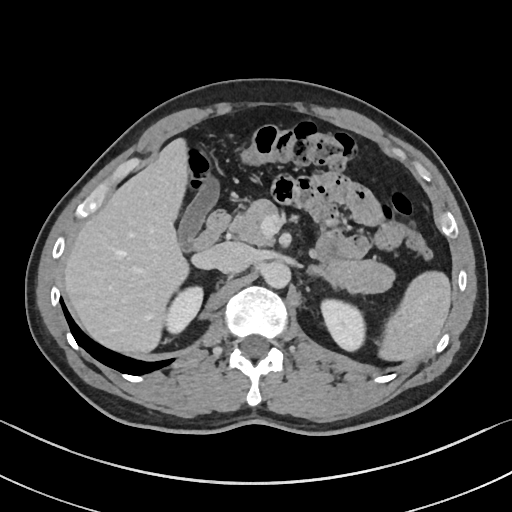 CT abdomen. Axial slice 139/291. soft-tissue window (W 400 / L 40). 512x512 px
One row per box, in pixels: columns x1 and y1 give the top-left corner, x2 and y2 the bottom-right.
| organ | x1 | y1 | x2 | y2 |
|---|---|---|---|---|
| spleen | 379 | 270 | 451 | 361 |
| right kidney | 166 | 288 | 202 | 332 |
| left kidney | 321 | 300 | 364 | 351 |
| gall bladder | 178 | 174 | 219 | 251 |
| liver | 64 | 137 | 189 | 353 |
| aorta | 262 | 261 | 290 | 289 |
| inferior vena cava | 208 | 243 | 252 | 274 |
| pancreas | 232 | 200 | 396 | 294 |
| left adrenal gland | 305 | 266 | 337 | 288 |
| duodenum | 195 | 209 | 231 | 251 |